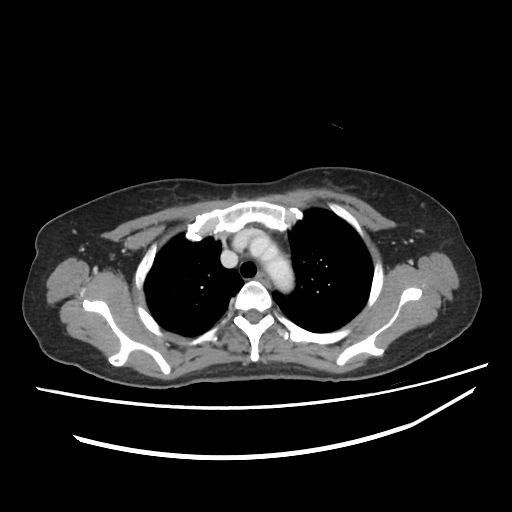 CT of the abdomen extending into the chest, slice through the chest; axial plane, index 108; 54-year-old female patient; 15 organs annotated in this scan (counted over the whole 3D scan, not this slice; an organ is boxed only where this slice passes through it)
On a slice this high in the chest, this dataset labels only the esophagus and the aorta, and each is boxed only where it is labeled; the heart, lungs and other chest structures are not labeled. Boxes are (x1, y1, x2, y2) in pixels. The annotated organs in this slice are: esophagus at (258, 273, 270, 286), aorta at (251, 239, 293, 292).